CT, abdomen/pelvis; axial view; abdomen soft-tissue window; 512x512 px; SOMATOM Force scanner
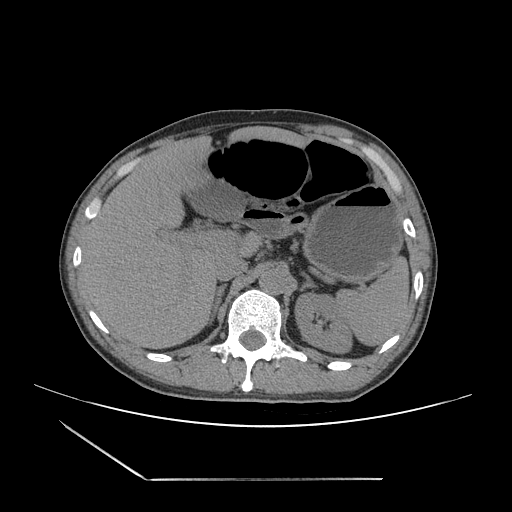 Boxes: x1:y1:x2:y2 in pixels. 10 labeled organs on this slice — spleen at 338:254:409:346; liver at 82:126:307:349; left adrenal gland at 300:273:316:290; inferior vena cava at 212:256:247:281; aorta at 259:268:287:294; right adrenal gland at 206:284:225:325; gall bladder at 186:183:243:222; stomach at 280:184:402:279; left kidney at 294:292:353:354; duodenum at 235:211:281:235.